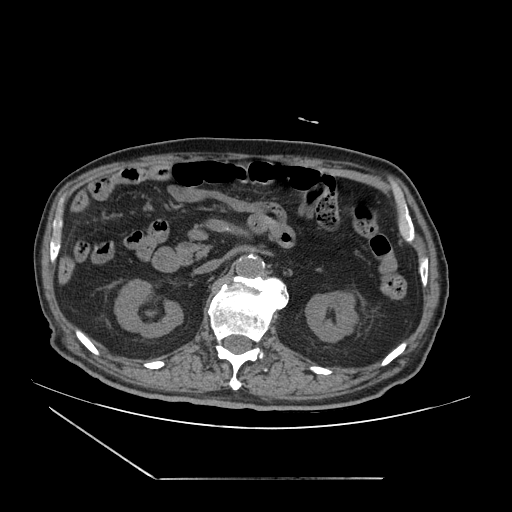

CT abdomen. axial view. scan has 15 labeled organs (a whole-scan count: organs this slice does not pass through have no box)
Boxes: x1 y1 x2 y2 (pixel coords, space-separated).
right kidney: 115 281 183 337
left kidney: 306 294 354 343
aorta: 234 255 264 278
inferior vena cava: 194 260 221 274
pancreas: 175 239 212 264
duodenum: 151 247 181 272